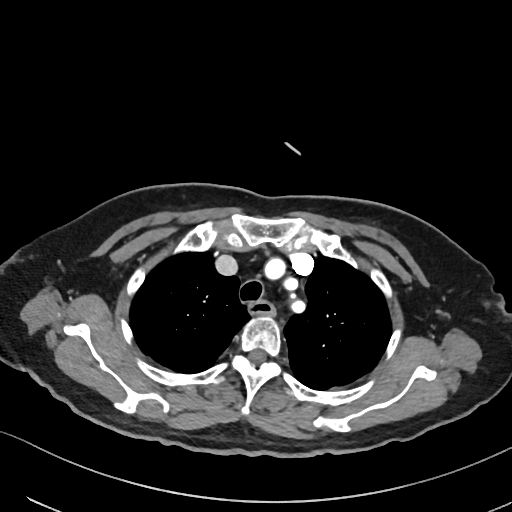

Abdominal CT reaching into the chest; this slice is in the chest · axial plane, index 272 · soft-tissue window, W/L 400/40
On a slice this high in the chest, this dataset labels only the esophagus and the aorta, and each is boxed only where it is labeled; the heart, lungs and other chest structures are not labeled.
Organ boxes in pixel coordinates; each row gives the top-left (x1, y1) and bottom-right (x2, y2) corners.
| organ | x1 | y1 | x2 | y2 |
|---|---|---|---|---|
| esophagus | 249 | 299 | 273 | 313 |